CT abdomen — Axial slice 52/102 — soft-tissue window — 768x768 px — Brilliance16 scanner — 15 organs annotated in this scan (a whole-scan count: organs this slice does not pass through have no box)
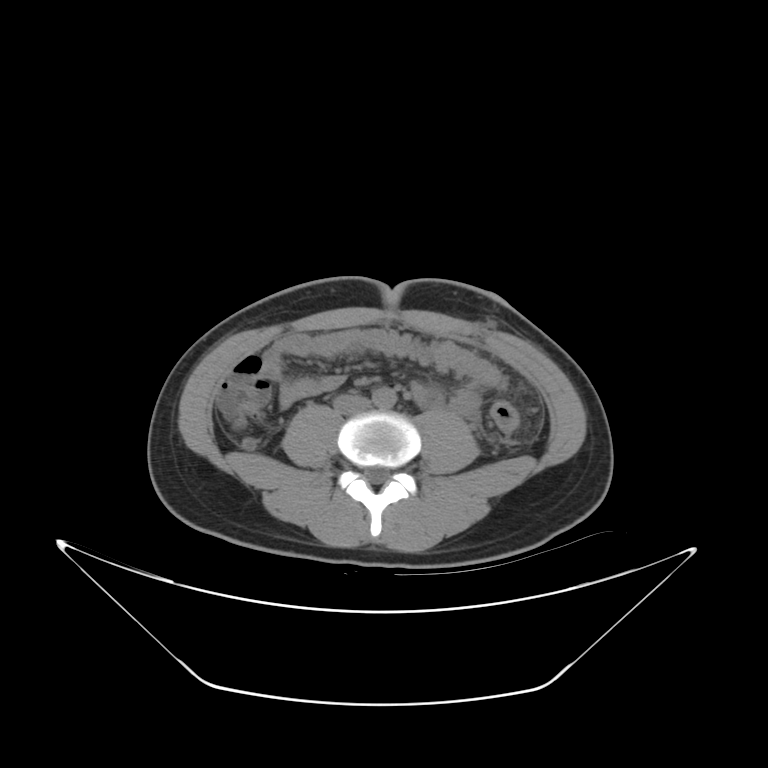

Each box given as x1,y1,x2,y2.
aorta: x1=374, y1=386, x2=395, y2=407
inferior vena cava: x1=333, y1=394, x2=368, y2=412